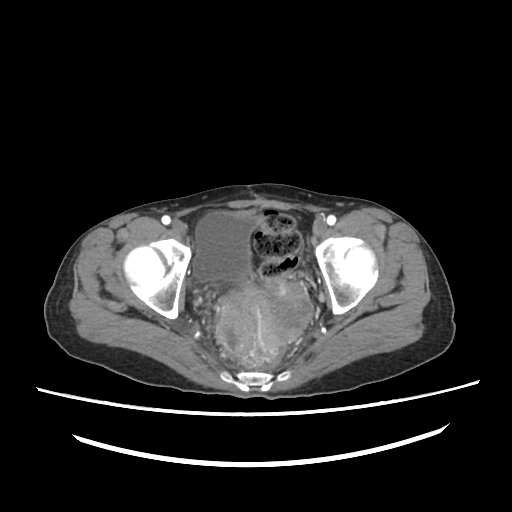
Computed tomography, abdomen. axial plane, index 14. acquired on Aquilion ONE. 15 organs annotated in this scan (that count is for the whole scan; organs this slice misses have no box)
{"organs":{"bladder":[193,213,260,281],"prostate/uterus":[232,285,313,341]}}